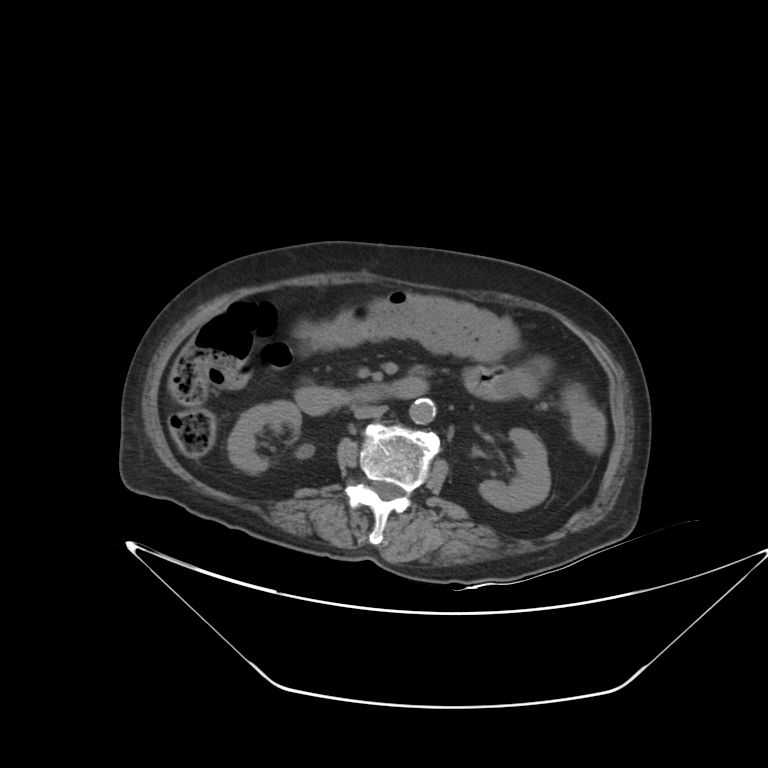 Abdominal CT; axial plane, index 61; W/L 400/40 HU; 80-year-old female patient
Boxes are (x1, y1, x2, y2) in pixels. 5 labeled organs on this slice — right kidney at (228, 400, 301, 473); left kidney at (479, 428, 550, 511); aorta at (409, 398, 435, 424); inferior vena cava at (354, 405, 388, 418); duodenum at (295, 376, 428, 414).